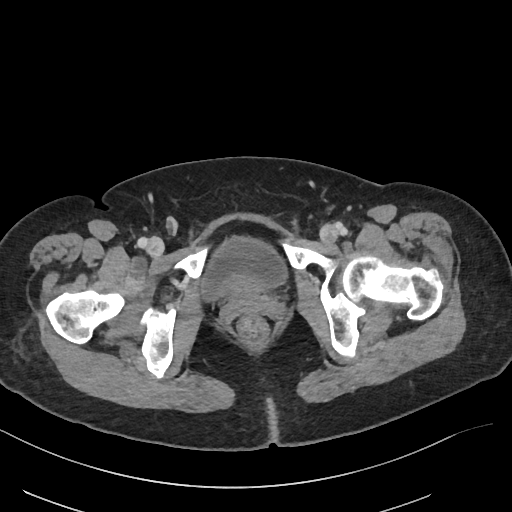
Computed tomography, abdomen · axial view · acquired on SOMATOM Force
<organs><organ name="bladder" x1="199" y1="238" x2="284" y2="299"/></organs>